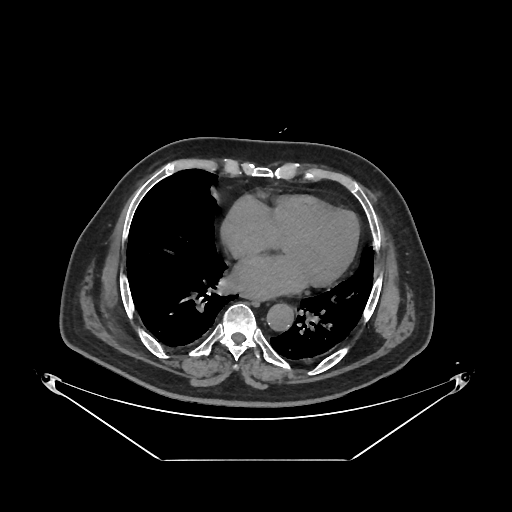

CT of the abdomen reaching into the lower chest, slice just above the liver and spleen — axial view — SOMATOM Force scanner
Of the structures in the chest, this dataset labels only the esophagus, the aorta and the inferior vena cava; the heart and lungs have no label.
<organs><organ name="esophagus" x1="242" y1="294" x2="264" y2="301"/><organ name="aorta" x1="267" y1="303" x2="294" y2="330"/></organs>